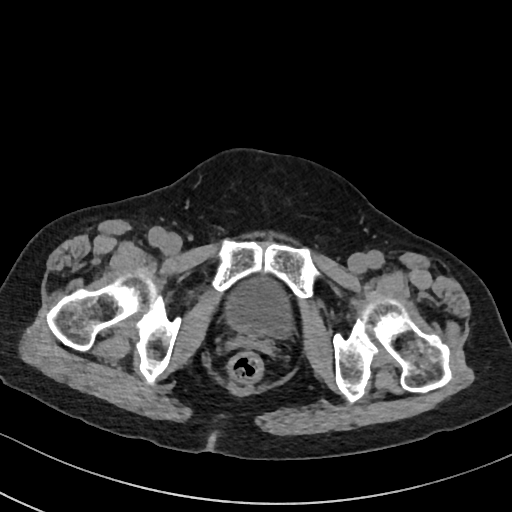 Abdominal CT. axial view. soft-tissue window. 512x512 px
Boxes are (x1, y1, x2, y2) in pixels. 1 labeled organ on this slice — bladder at (227, 277, 292, 334).